CT abdomen · axial view · W/L 400/40 HU
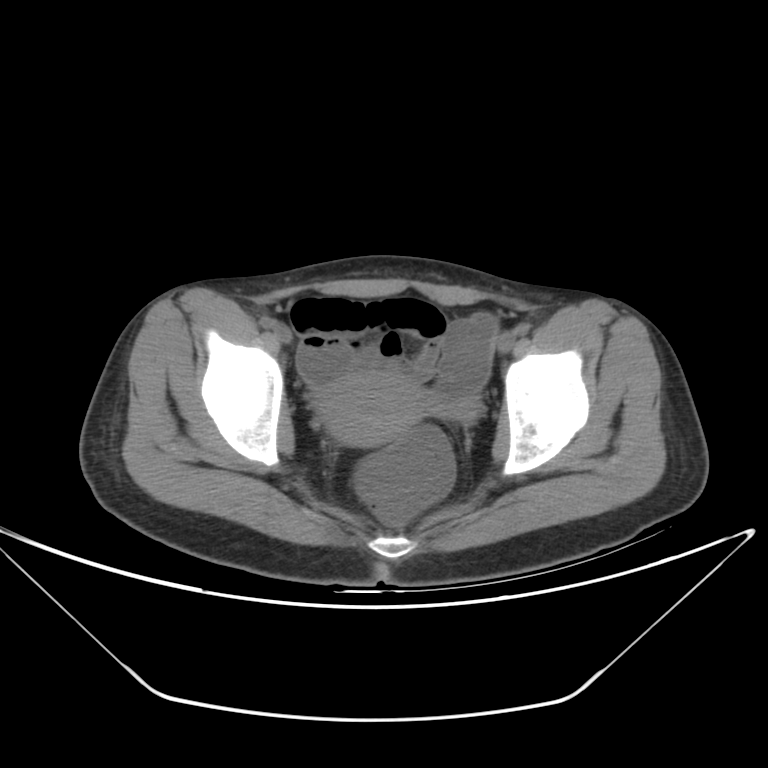

<organs><organ name="prostate/uterus" x1="318" y1="371" x2="425" y2="446"/></organs>